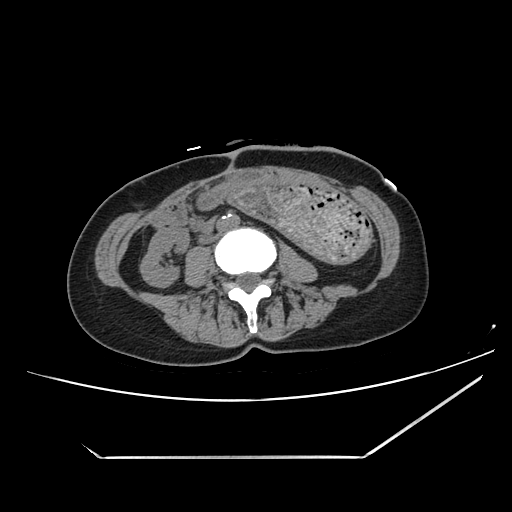

Abdominal CT; axial plane, index 73; abdomen soft-tissue window; 512x512 px
<organs><organ name="duodenum" x1="197" y1="215" x2="217" y2="234"/><organ name="stomach" x1="225" y1="179" x2="372" y2="261"/><organ name="right kidney" x1="140" y1="228" x2="187" y2="289"/><organ name="inferior vena cava" x1="200" y1="233" x2="219" y2="243"/><organ name="aorta" x1="218" y1="213" x2="239" y2="230"/></organs>